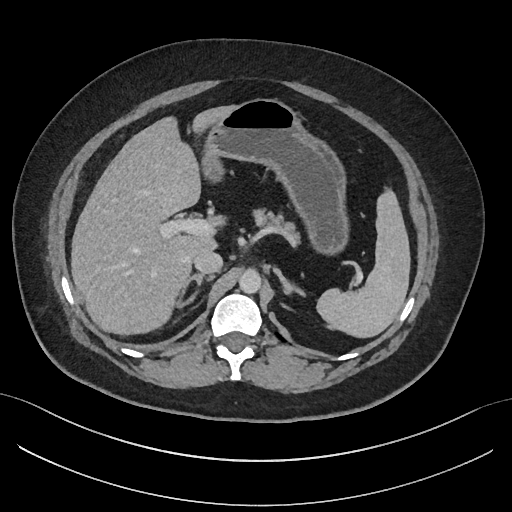
Abdominal CT; axial view; 512x512 px; scan has 15 labeled organs (counted over the whole 3D scan, not this slice; an organ is boxed only where this slice passes through it)
One row per box, in pixels: columns x1 and y1 give the top-left corner, x2 and y2 the bottom-right.
| organ | x1 | y1 | x2 | y2 |
|---|---|---|---|---|
| spleen | 316 | 191 | 409 | 338 |
| liver | 71 | 104 | 237 | 335 |
| stomach | 202 | 98 | 347 | 254 |
| aorta | 238 | 270 | 262 | 293 |
| inferior vena cava | 193 | 250 | 222 | 273 |
| pancreas | 256 | 211 | 302 | 246 |
| right adrenal gland | 177 | 274 | 213 | 308 |
| left adrenal gland | 274 | 268 | 303 | 297 |